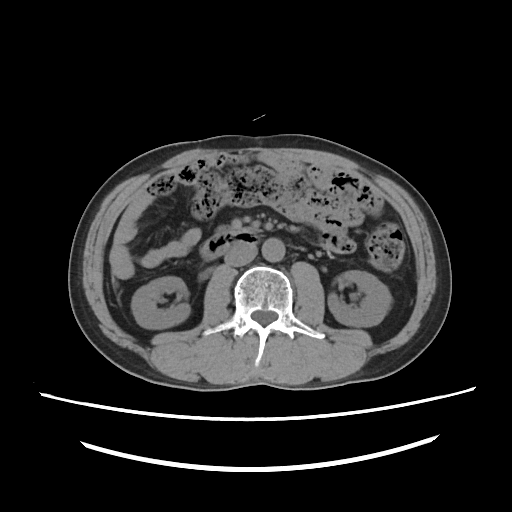 Computed tomography, abdomen — axial view — 15 organs annotated in this scan (a whole-scan count: organs this slice does not pass through have no box)
Each box given as x1,y1,x2,y2.
duodenum: x1=201, y1=230, x2=258, y2=258
aorta: x1=262, y1=236, x2=286, y2=261
left kidney: x1=328, y1=268, x2=389, y2=327
inferior vena cava: x1=224, y1=242, x2=257, y2=266
right kidney: x1=132, y1=277, x2=189, y2=327